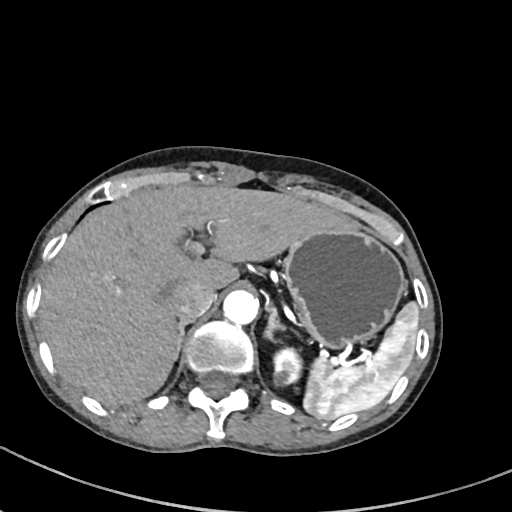 CT abdomen. axial plane, index 175. W/L 400/40 HU. 512x512 px
Coordinates as <box>x1,y1,x2,y2</box> in pixels. Labeled organs on this slice: spleen at <box>303,302,418,419</box>, left kidney at <box>274,349,301,386</box>, liver at <box>39,184,357,407</box>, stomach at <box>283,229,406,348</box>, aorta at <box>223,290,258,324</box>, inferior vena cava at <box>172,282,215,320</box>, right adrenal gland at <box>177,320,190,354</box>, left adrenal gland at <box>264,308,285,340</box>.